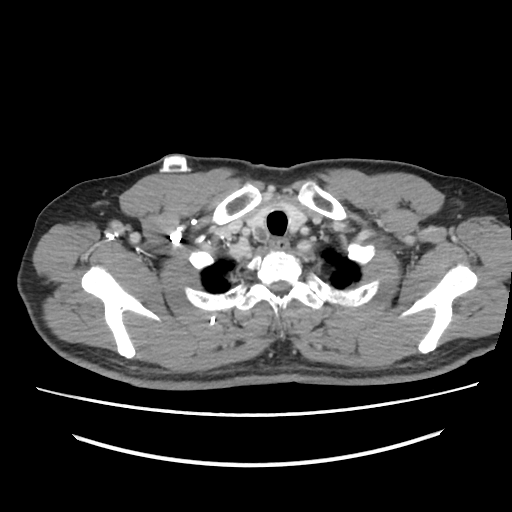 Chest-level CT slice, above the liver and spleen. axial view. scan has 14 labeled organs (that count is for the whole scan; organs this slice misses have no box)
At this level of the chest no structure but the esophagus and the aorta has a label in this dataset, and those two are boxed only where they are labeled.
Each box given as x1,y1,x2,y2.
esophagus: x1=274, y1=241, x2=289, y2=250